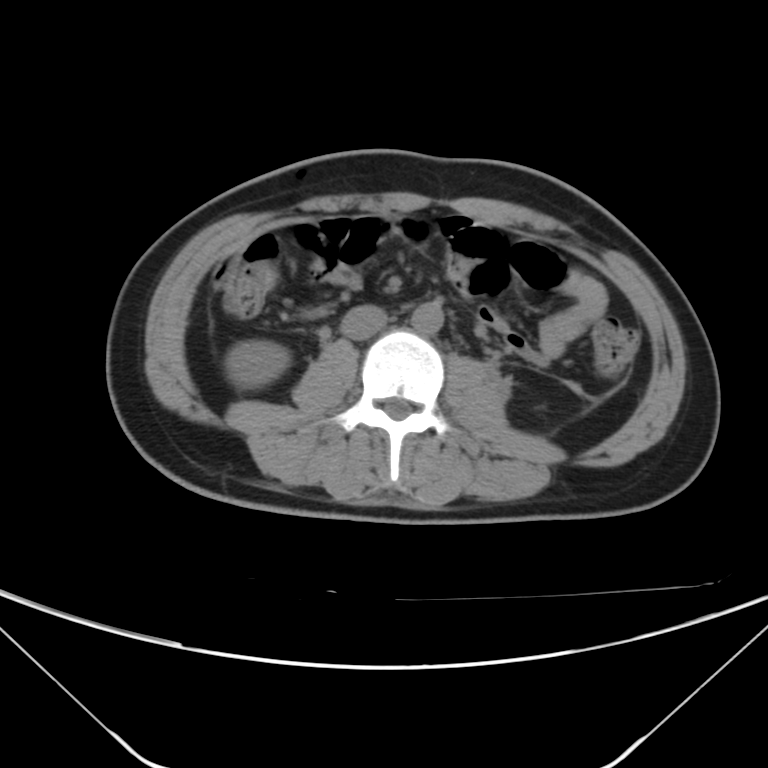 Computed tomography, abdomen — axial view — scan has 15 labeled organs (counted over the whole 3D scan, not this slice; an organ is boxed only where this slice passes through it)
Box edges are left/top/right/bottom in pixels.
right kidney: left=226, top=340, right=289, bottom=385
aorta: left=412, top=301, right=443, bottom=334
inferior vena cava: left=340, top=304, right=388, bottom=339